Computed tomography, abdomen. axial view. 512x512 px. acquired on SOMATOM Force
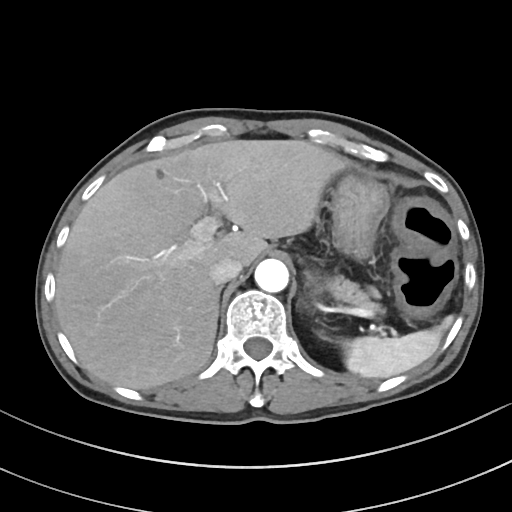

Box edges are left/top/right/bottom in pixels. Labeled organs on this slice: spleen at left=342, top=320, right=448, bottom=378, liver at left=55, top=140, right=346, bottom=389, stomach at left=306, top=175, right=388, bottom=293, aorta at left=254, top=259, right=288, bottom=292, inferior vena cava at left=209, top=257, right=242, bottom=284, pancreas at left=327, top=276, right=381, bottom=314, right adrenal gland at left=218, top=287, right=221, bottom=293.